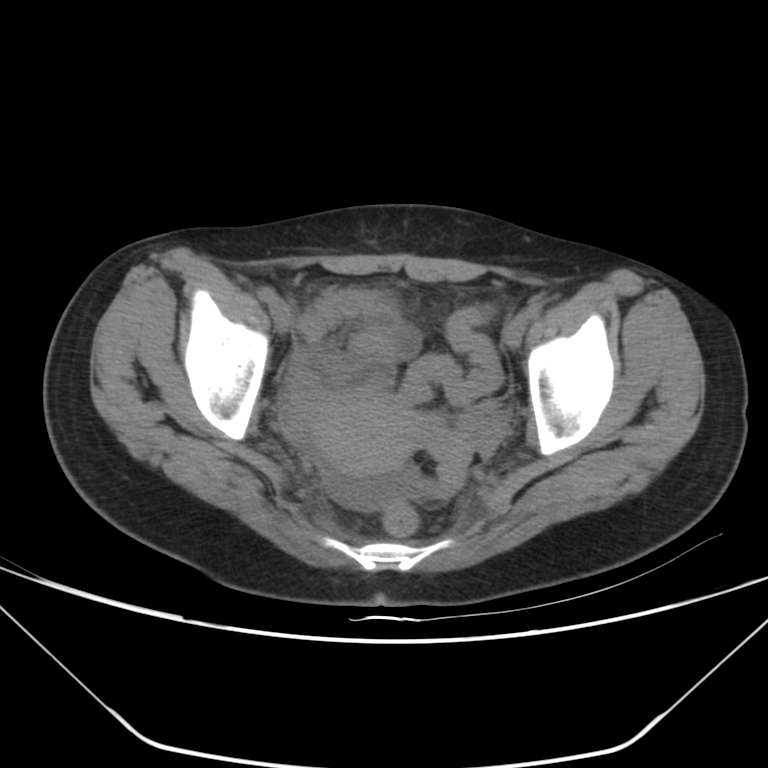
CT, abdomen/pelvis · axial view · W/L 400/40 HU · 768x768 px · 15 organs annotated in this scan (that count is for the whole scan; organs this slice misses have no box)
<organs><organ name="prostate/uterus" x1="308" y1="393" x2="415" y2="476"/></organs>